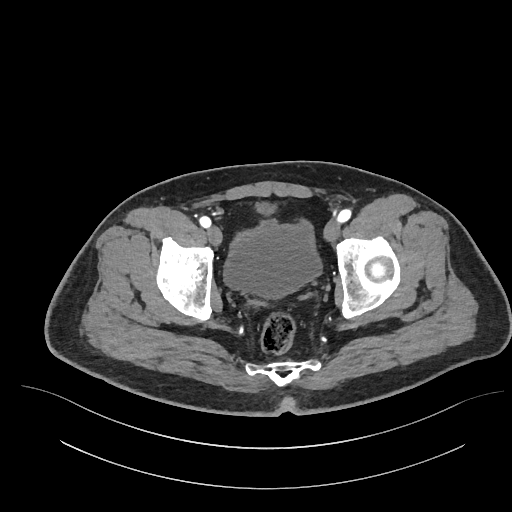

Computed tomography, abdomen. axial view. soft-tissue window. SOMATOM Force scanner. scan has 15 labeled organs (counted over the whole 3D scan, not this slice; an organ is boxed only where this slice passes through it)
One row per box, in pixels: columns x1 and y1 give the top-left corner, x2 and y2 the bottom-right.
| organ | x1 | y1 | x2 | y2 |
|---|---|---|---|---|
| bladder | 224 | 202 | 321 | 298 |